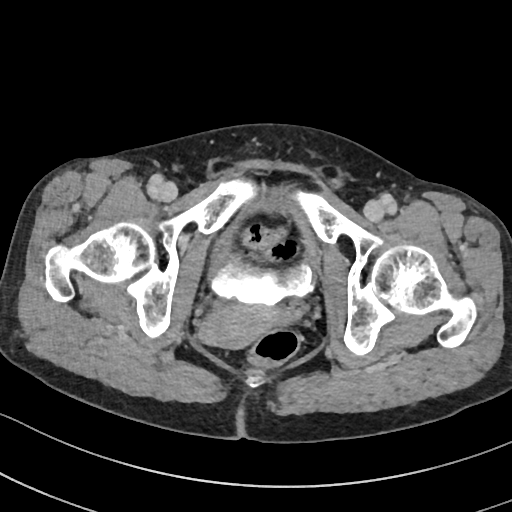 CT abdomen · axial view · soft-tissue window (W 400 / L 40)
Boxes are (x1, y1, x2, y2) in pixels. The annotated organs in this slice are: bladder at (210, 195, 320, 305), prostate/uterus at (200, 301, 290, 347).